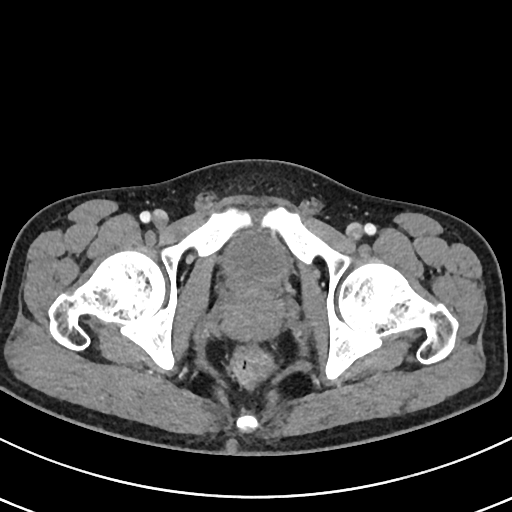

CT abdomen. axial view. W/L 400/40 HU. SOMATOM Force scanner. scan has 15 labeled organs (counted over the whole 3D scan, not this slice; an organ is boxed only where this slice passes through it)
Each box given as x1,y1,x2,y2.
bladder: x1=223, y1=233, x2=286, y2=281
prostate/uterus: x1=225, y1=282, x2=282, y2=334